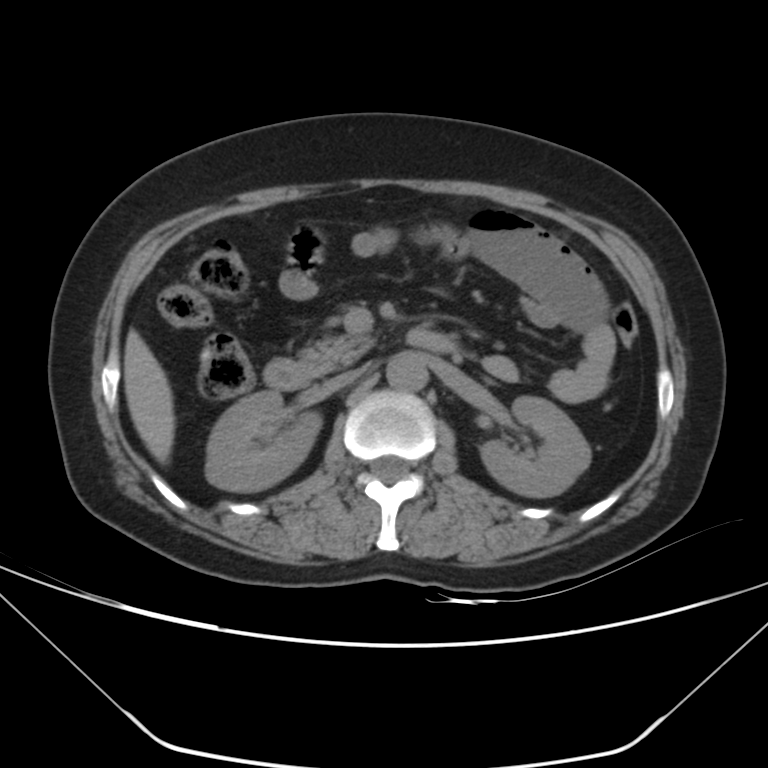 CT abdomen · axial view · soft-tissue window (W 400 / L 40) · 768x768 px
Boxes are (x1, y1, x2, y2) in pixels. 7 labeled organs on this slice — right kidney at (206, 391, 321, 491); left kidney at (480, 396, 591, 497); liver at (123, 329, 175, 463); aorta at (386, 352, 427, 390); inferior vena cava at (324, 365, 367, 392); pancreas at (299, 334, 376, 374); duodenum at (263, 327, 458, 389).